CT abdomen · axial plane, index 64 · abdomen soft-tissue window · 71-year-old female patient
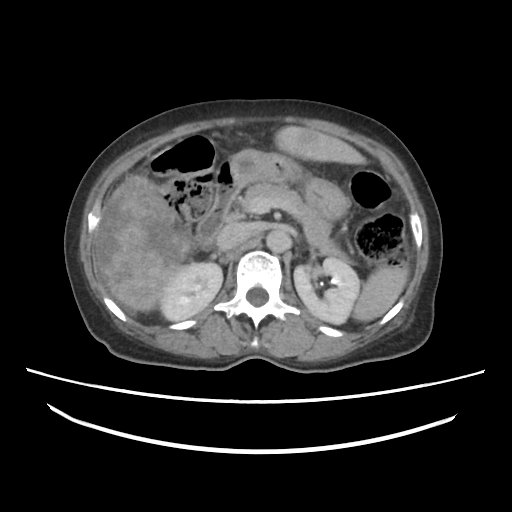

Boxes: x1 y1 x2 y2 (pixel coords, space-separated). 10 labeled organs on this slice — spleen at 351 261 407 322; right kidney at 161 261 223 320; left kidney at 293 257 361 324; liver at 94 127 365 310; stomach at 229 150 350 224; aorta at 266 229 292 251; inferior vena cava at 216 221 250 251; pancreas at 239 181 353 262; right adrenal gland at 211 252 229 266; duodenum at 196 158 239 240.